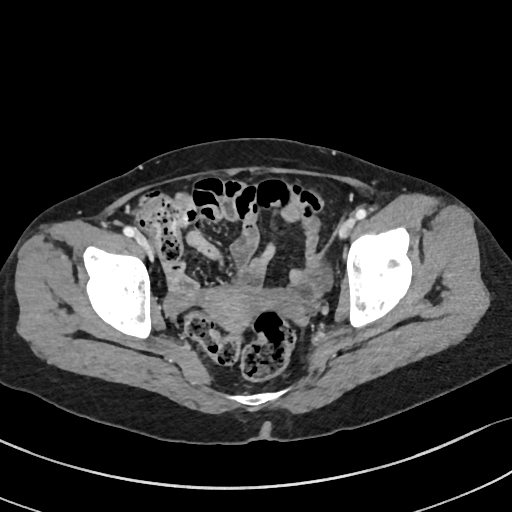

CT abdomen — axial view — SOMATOM Force scanner — scan has 15 labeled organs (that count is for the whole scan; organs this slice misses have no box)
Bounding boxes as [x1, y1, x2, y2] in pixel coordinates. The annotated organs in this slice are: prostate/uterus at [199, 285, 263, 332].